CT abdomen · axial plane, index 141 · 512x512 px · 15 organs annotated in this scan (a whole-scan count: organs this slice does not pass through have no box)
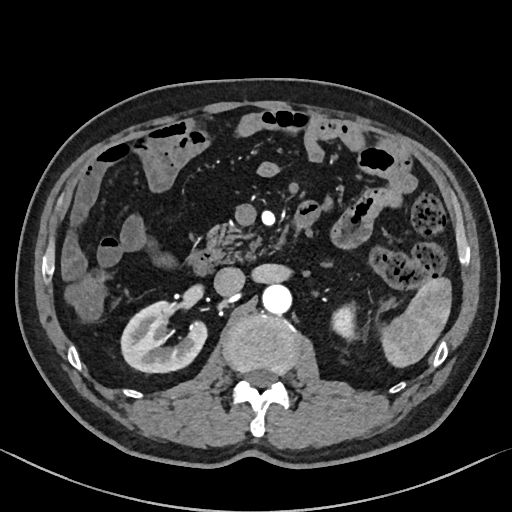

Boxes are (x1, y1, x2, y2) in pixels.
spleen: (379, 277, 451, 367)
right kidney: (120, 301, 207, 372)
left kidney: (331, 305, 355, 341)
aorta: (262, 284, 291, 314)
inferior vena cava: (213, 267, 244, 296)
pancreas: (206, 223, 260, 262)
duodenum: (189, 249, 218, 275)